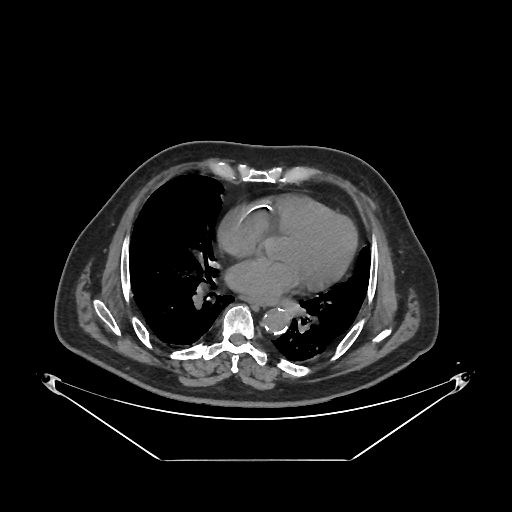
Lower-chest slice from an abdominal CT, just above the liver and spleen. axial view. soft-tissue window (W 400 / L 40). 15 organs annotated in this scan (that count is for the whole scan; organs this slice misses have no box)
No part of the heart or lungs is labeled in this dataset, so neither has a box here.
{"organs":{"aorta":[263,308,291,334],"esophagus":[241,295,272,304]}}